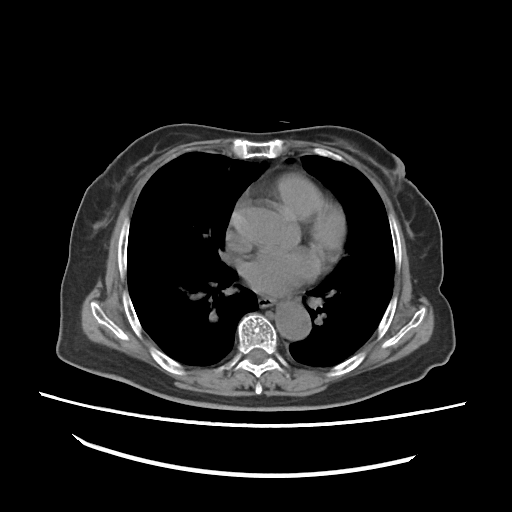
Abdominal CT; this slice is in the lower chest, just above the liver · axial view · soft-tissue window (W 400 / L 40) · 15 organs annotated in this scan (a whole-scan count: organs this slice does not pass through have no box)
No part of the heart or lungs is labeled in this dataset, so neither has a box here.
Boxes: x1:y1:x2:y2 in pixels.
esophagus: 253:297:274:307
aorta: 274:300:311:341